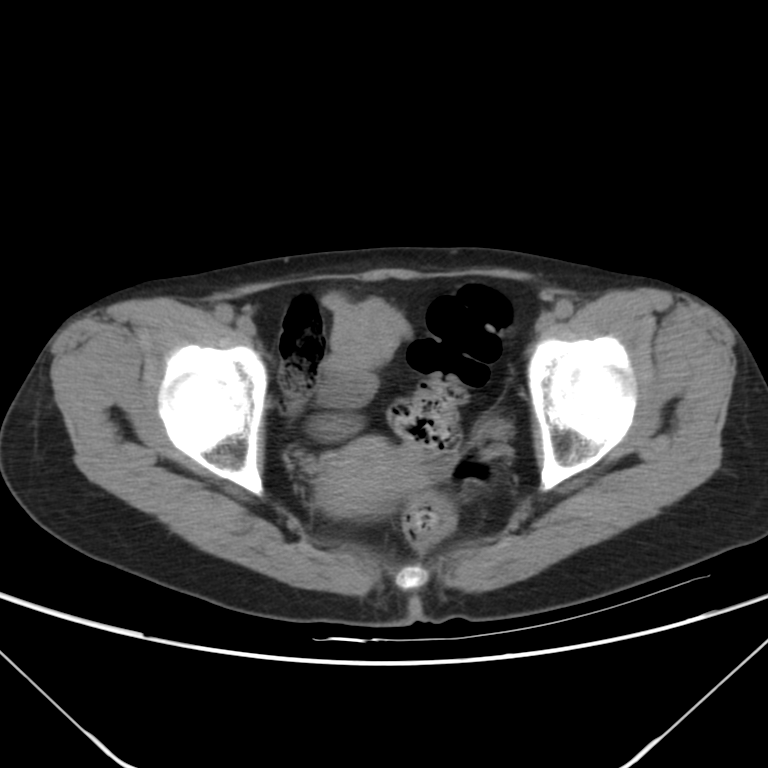

CT abdomen. axial view. 63-year-old female patient
Box edges are left/top/right/bottom in pixels. 1 labeled organ on this slice — prostate/uterus at left=318, top=438, right=427, bottom=514.